Abdominal CT. axial view. soft-tissue window. 512x512 px. scan has 15 labeled organs (counted over the whole 3D scan, not this slice; an organ is boxed only where this slice passes through it)
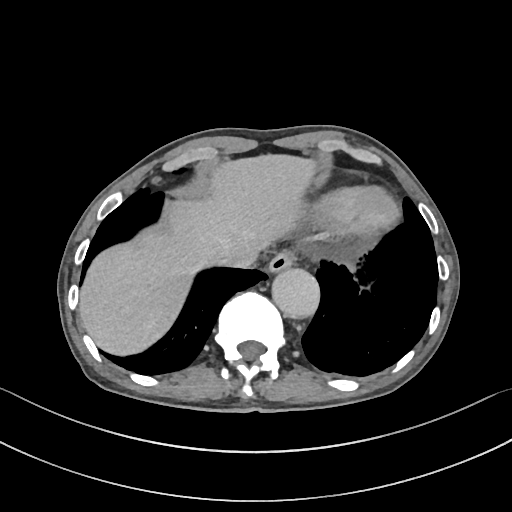

{"organs":{"esophagus":[267,251,294,272],"liver":[79,153,319,355],"aorta":[271,267,319,317],"inferior vena cava":[212,246,255,267]}}